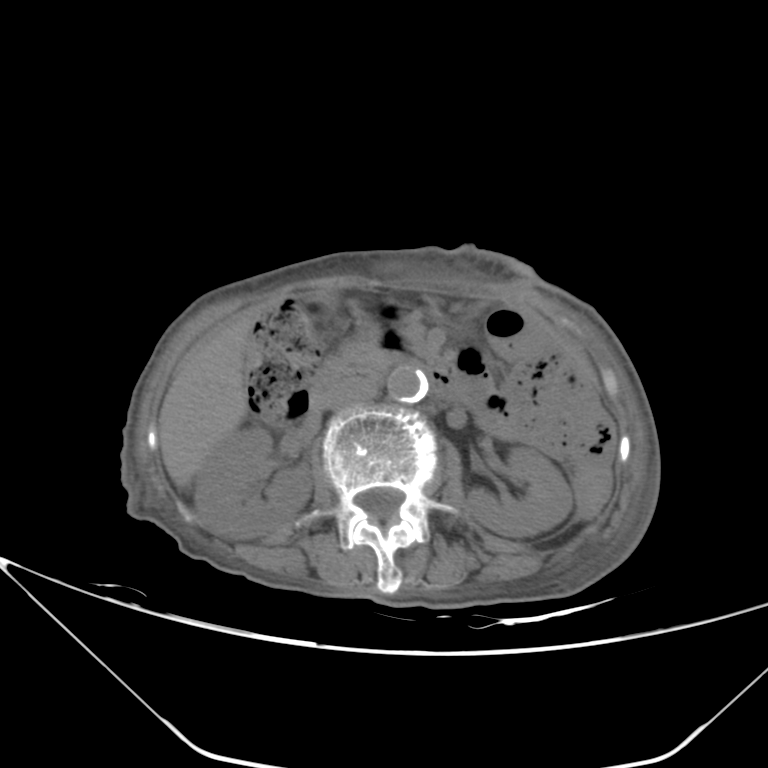

CT, abdomen/pelvis; axial view
Bounding boxes as [x1, y1, x2, y2] in pixel coordinates.
right kidney: [194, 427, 312, 538]
left kidney: [467, 447, 572, 537]
gall bladder: [324, 299, 332, 306]
liver: [159, 315, 251, 487]
aorta: [387, 365, 428, 403]
inferior vena cava: [324, 376, 379, 410]
pancreas: [339, 339, 392, 377]
duodenum: [311, 357, 488, 410]